CT, abdomen/pelvis; axial view; 31-year-old male patient; scan has 15 labeled organs (counted over the whole 3D scan, not this slice; an organ is boxed only where this slice passes through it)
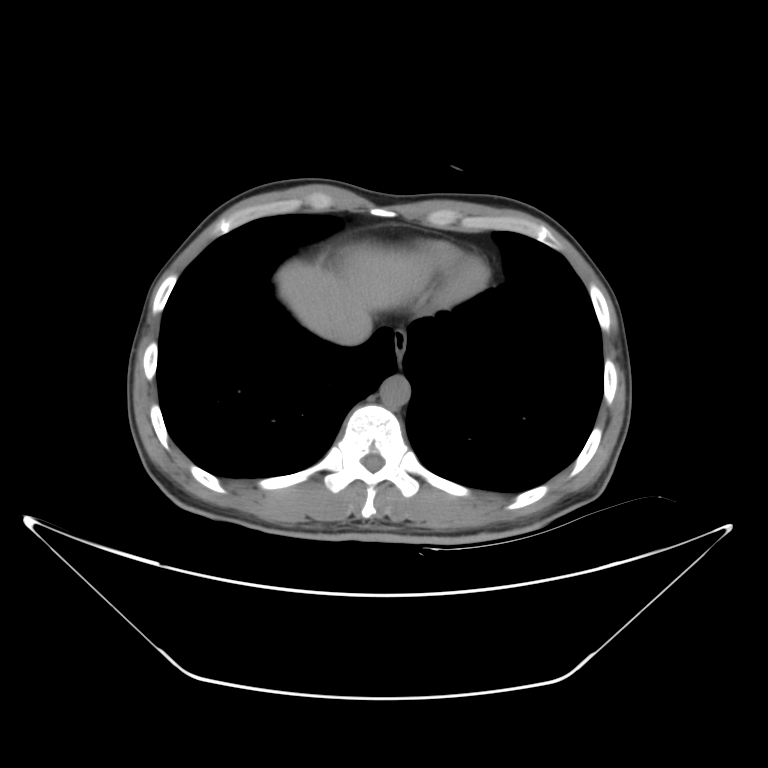

Organ boxes in pixel coordinates; each row gives the top-left (x1, y1) and bottom-right (x2, y2) corners.
| organ | x1 | y1 | x2 | y2 |
|---|---|---|---|---|
| esophagus | 394 | 330 | 406 | 360 |
| liver | 277 | 244 | 431 | 340 |
| aorta | 379 | 374 | 409 | 406 |
| inferior vena cava | 328 | 315 | 372 | 345 |